MRI, abdomen. axial plane, index 1. 576x468 px. acquired on Prisma. scan has 13 labeled organs (a whole-scan count: organs this slice does not pass through have no box)
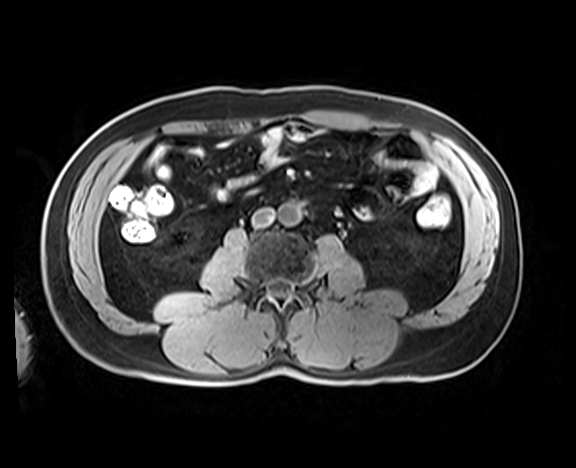 <organs><organ name="aorta" x1="278" y1="203" x2="301" y2="226"/><organ name="inferior vena cava" x1="252" y1="206" x2="276" y2="230"/></organs>